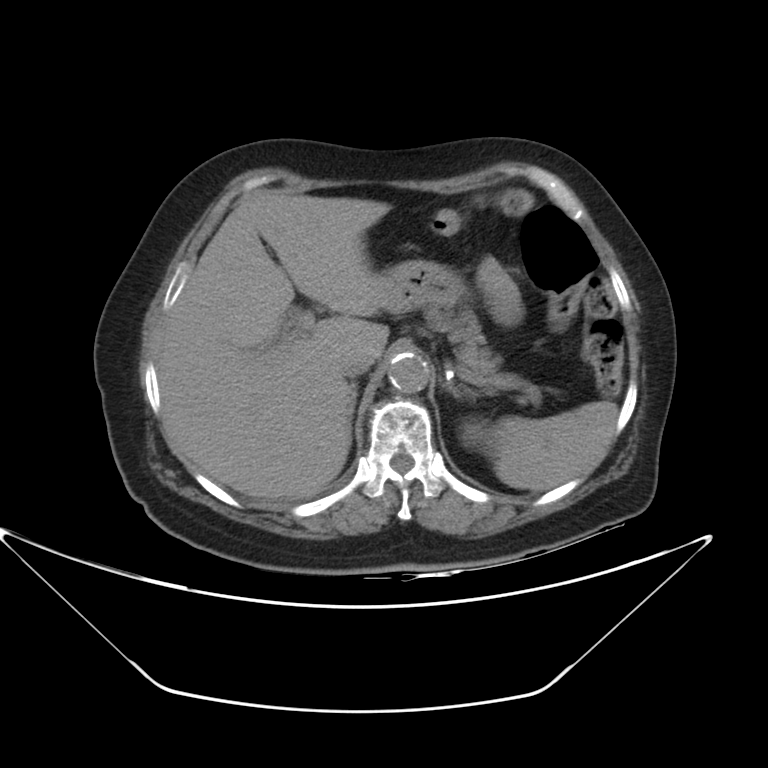 CT, abdomen/pelvis; axial view; W/L 400/40 HU; scan has 15 labeled organs (that count is for the whole scan; organs this slice misses have no box)
Boxes: x1 y1 x2 y2 (pixel coords, space-separated). The annotated organs in this slice are: inferior vena cava at 341 352 374 378, pancreas at 424 305 541 403, aorta at 388 353 429 392, spleen at 490 400 619 492, left kidney at 461 420 491 450, right adrenal gland at 349 383 357 419, left adrenal gland at 442 383 476 399, stomach at 380 260 469 310, liver at 156 192 390 500.